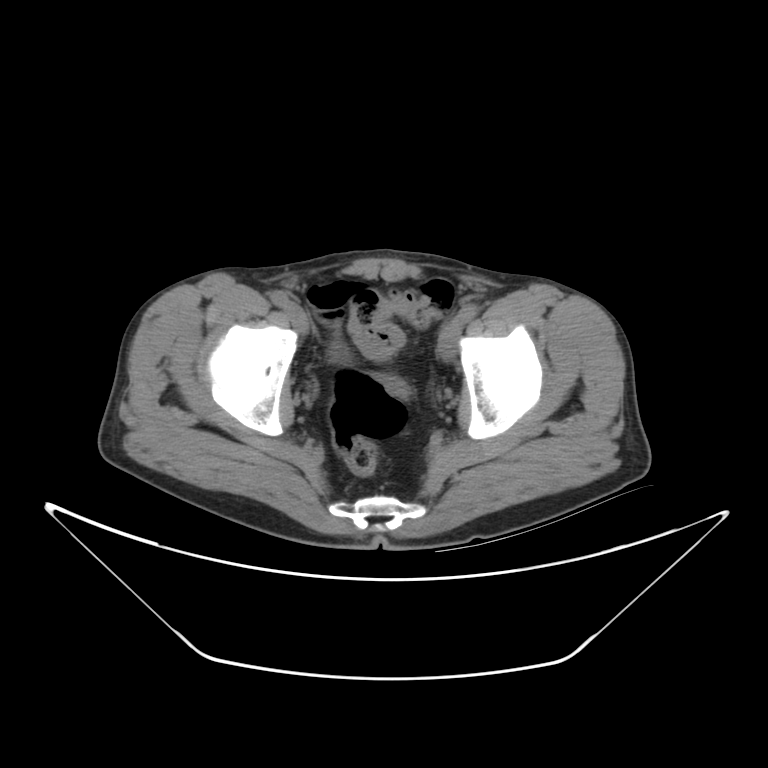 Computed tomography, abdomen — axial plane, index 19 — W/L 400/40 HU
{"organs":{"bladder":[329,342,350,363]}}